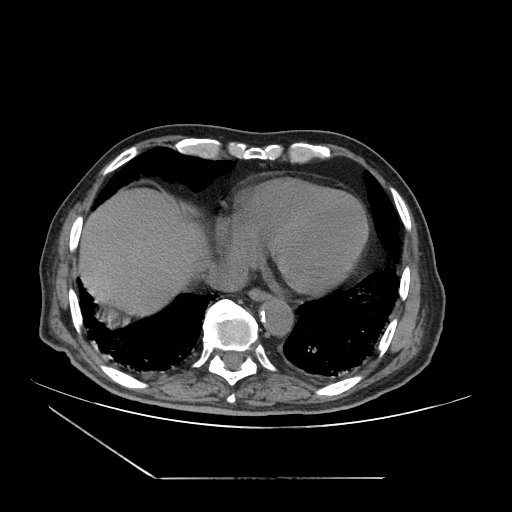

CT, abdomen/pelvis · axial view · W/L 400/40 HU · SOMATOM Force scanner
<organs><organ name="inferior vena cava" x1="209" y1="261" x2="248" y2="290"/><organ name="esophagus" x1="248" y1="290" x2="270" y2="302"/><organ name="aorta" x1="261" y1="300" x2="293" y2="336"/><organ name="liver" x1="80" y1="188" x2="207" y2="315"/></organs>